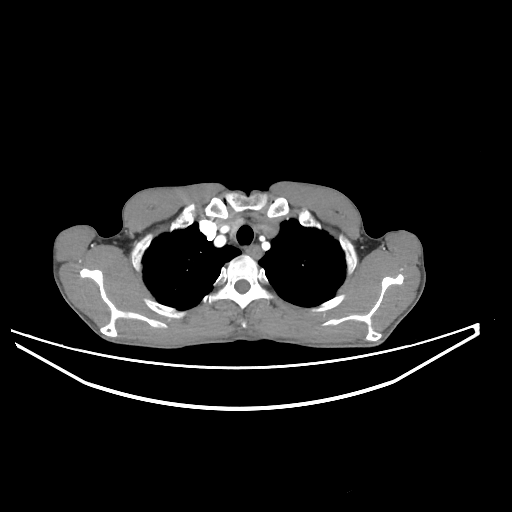

Chest-level CT slice, above the liver and spleen · Axial slice 123/131 · acquired on Aquilion ONE · 15 organs annotated in this scan (counted over the whole 3D scan, not this slice; an organ is boxed only where this slice passes through it)
At this level of the chest this dataset labels only the esophagus and the aorta, and each is boxed only where it is labeled; the heart and lungs are never labeled.
One row per box, in pixels: columns x1 and y1 give the top-left corner, x2 and y2 the bottom-right.
| organ | x1 | y1 | x2 | y2 |
|---|---|---|---|---|
| esophagus | 247 | 245 | 261 | 258 |